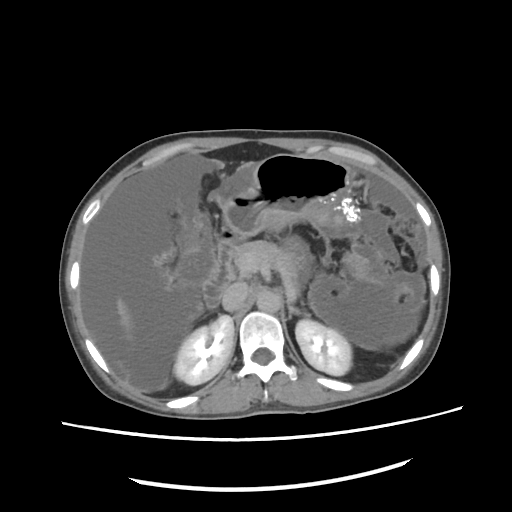 Computed tomography, abdomen. axial plane, index 84. 512x512 px
Coordinates as <box>x1,y1,x2,y2</box> in pixels. The annotated organs in this slice are: right kidney at <box>173,315,233,385</box>, left kidney at <box>295,319,351,375</box>, liver at <box>114,198,189,345</box>, stomach at <box>224,154,361,235</box>, aorta at <box>255,289,280,314</box>, inferior vena cava at <box>222,281,247,310</box>, pancreas at <box>235,241,300,282</box>, left adrenal gland at <box>287,307,307,318</box>, duodenum at <box>204,240,234,311</box>.